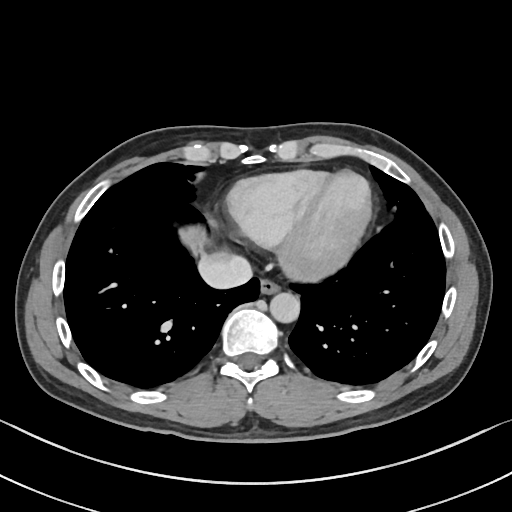
Abdominal CT; axial view; W/L 400/40 HU
Bounding boxes in pixels, one row per box: x1, y1 is the top-left corner and x2, y2 the bottom-right.
| organ | x1 | y1 | x2 | y2 |
|---|---|---|---|---|
| inferior vena cava | 198 | 253 | 252 | 288 |
| aorta | 270 | 292 | 299 | 322 |
| esophagus | 259 | 279 | 279 | 294 |
| liver | 181 | 226 | 206 | 250 |